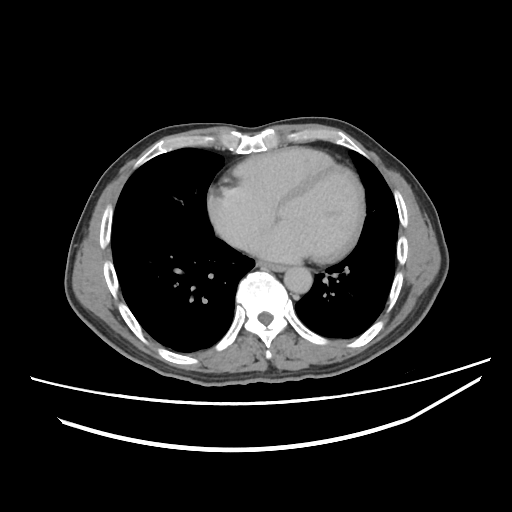 Lower-chest slice from an abdominal CT, just above the liver and spleen — axial plane, index 102 — 58-year-old male patient — acquired on Aquilion ONE — scan has 15 labeled organs (counted over the whole 3D scan, not this slice; an organ is boxed only where this slice passes through it)
The heart and lungs are never labeled in this dataset, so they have no box on this slice.
Bounding boxes in pixels, one row per box: x1, y1 is the top-left corner and x2, y2 the bottom-right.
| organ | x1 | y1 | x2 | y2 |
|---|---|---|---|---|
| esophagus | 256 | 261 | 284 | 271 |
| aorta | 283 | 266 | 312 | 293 |
| inferior vena cava | 225 | 230 | 259 | 250 |